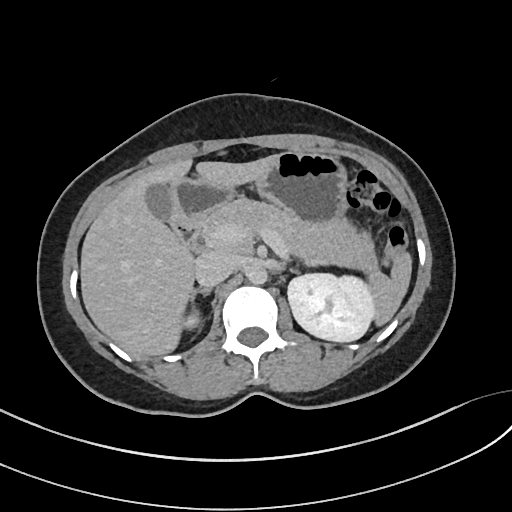
Computed tomography, abdomen — axial plane, index 159 — soft-tissue window
Box edges are left/top/right/bottom in pixels. 12 labeled organs on this slice — spleen at left=366, top=249, right=413, bottom=326; right kidney at left=184, top=313, right=199, bottom=329; left kidney at left=287, top=273, right=374, bottom=342; gall bladder at left=146, top=183, right=173, bottom=225; liver at left=79, top=155, right=278, bottom=356; stomach at left=169, top=151, right=350, bottom=226; aorta at left=246, top=266, right=267, bottom=285; inferior vena cava at left=196, top=251, right=238, bottom=287; pancreas at left=204, top=198, right=380, bottom=274; right adrenal gland at left=189, top=288, right=217, bottom=328; left adrenal gland at left=285, top=268, right=300, bottom=274; duodenum at left=173, top=212, right=209, bottom=252.